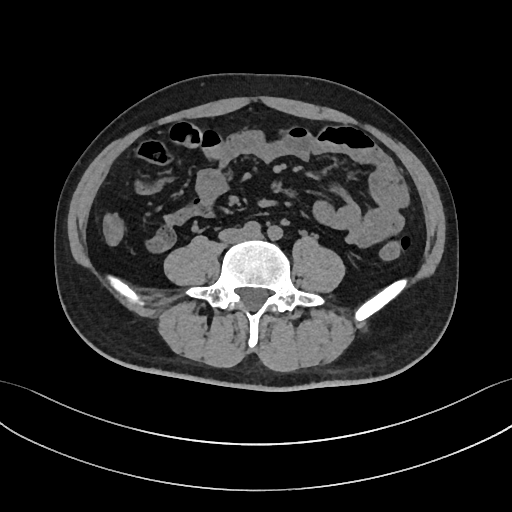 CT abdomen. axial view. 512x512 px
{"organs":{"inferior vena cava":[219,229,246,241]}}